Abdominal CT — axial view — 512x512 px — scan has 15 labeled organs (counted over the whole 3D scan, not this slice; an organ is boxed only where this slice passes through it)
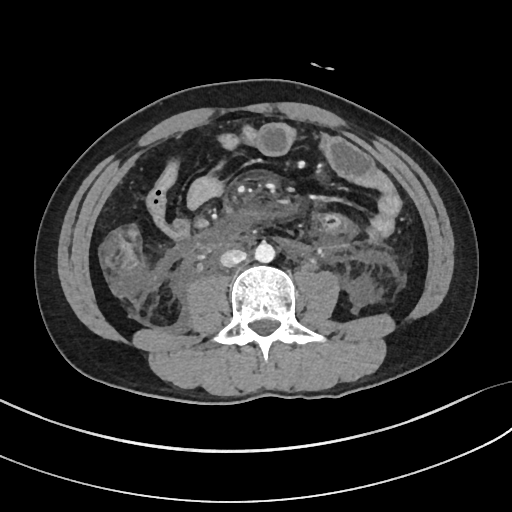
<organs><organ name="inferior vena cava" x1="220" y1="249" x2="247" y2="267"/><organ name="aorta" x1="255" y1="242" x2="275" y2="262"/></organs>